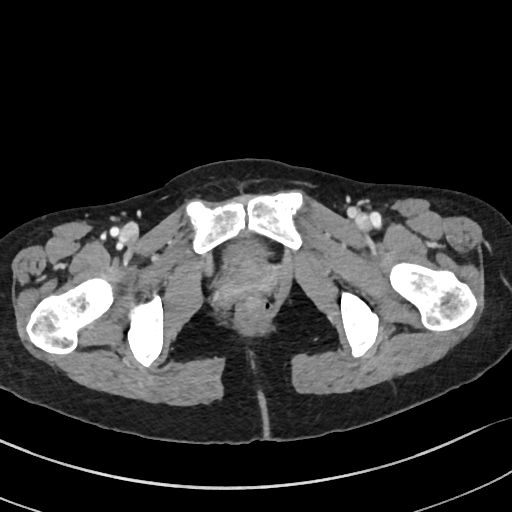
Abdominal CT · axial view · abdomen soft-tissue window · SOMATOM Force scanner · 15 organs annotated in this scan (counted over the whole 3D scan, not this slice; an organ is boxed only where this slice passes through it)
{"organs":{"bladder":[226,242,265,264]}}